CT, abdomen/pelvis; axial view; soft-tissue window; 512x512 px
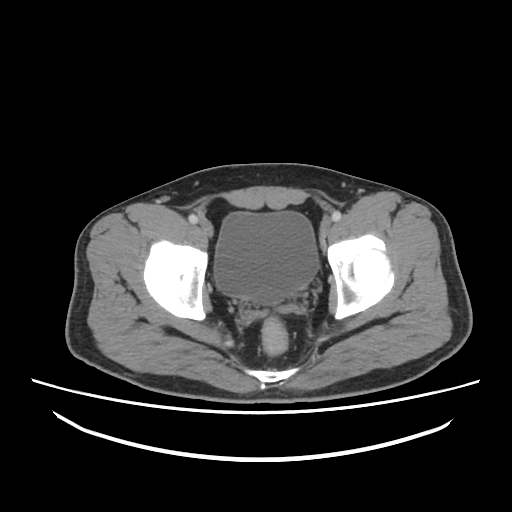
{"organs":{"bladder":[214,211,318,304]}}